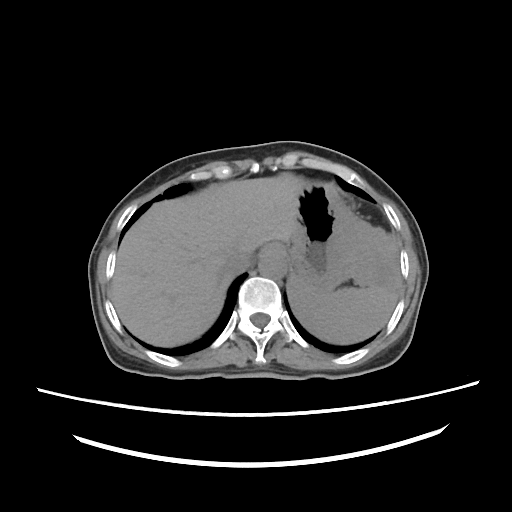 CT, abdomen/pelvis; axial view; 512x512 px; 58-year-old female patient; acquired on Aquilion ONE; 15 organs annotated in this scan (counted over the whole 3D scan, not this slice; an organ is boxed only where this slice passes through it)
Organ boxes in pixel coordinates; each row gives the top-left (x1, y1) and bottom-right (x2, y2) corners.
| organ | x1 | y1 | x2 | y2 |
|---|---|---|---|---|
| spleen | 288 | 229 | 399 | 344 |
| esophagus | 260 | 243 | 282 | 255 |
| liver | 111 | 173 | 303 | 346 |
| stomach | 281 | 181 | 388 | 290 |
| aorta | 258 | 252 | 286 | 279 |
| inferior vena cava | 224 | 251 | 253 | 275 |